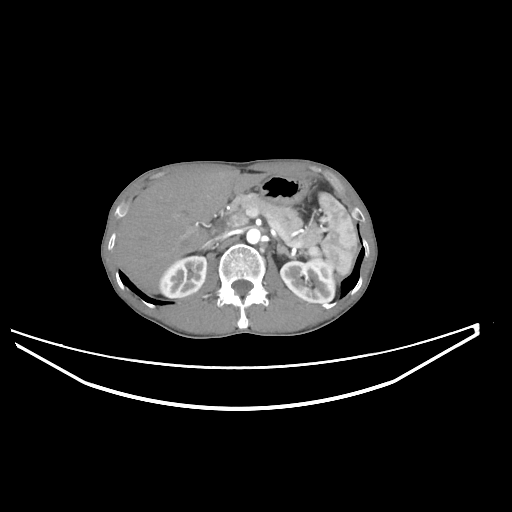

CT, abdomen/pelvis — axial view — 512x512 px
Boxes: x1 y1 x2 y2 (pixel coords, space-separated).
spleen: 308 193 357 275
right kidney: 159 256 207 297
left kidney: 280 257 335 303
liver: 115 171 266 293
stomach: 258 175 308 204
aorta: 246 228 260 243
inferior vena cava: 209 231 230 243
pancreas: 231 193 321 247
left adrenal gland: 277 244 294 259
duodenum: 209 204 230 237